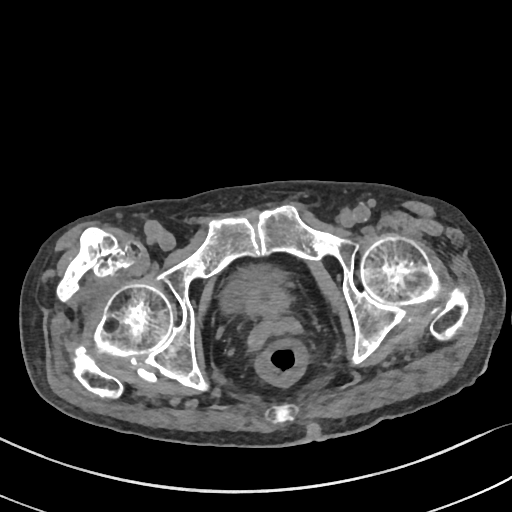 CT abdomen — axial view — 512x512 px
<organs><organ name="bladder" x1="223" y1="263" x2="288" y2="313"/><organ name="prostate/uterus" x1="245" y1="284" x2="288" y2="314"/></organs>